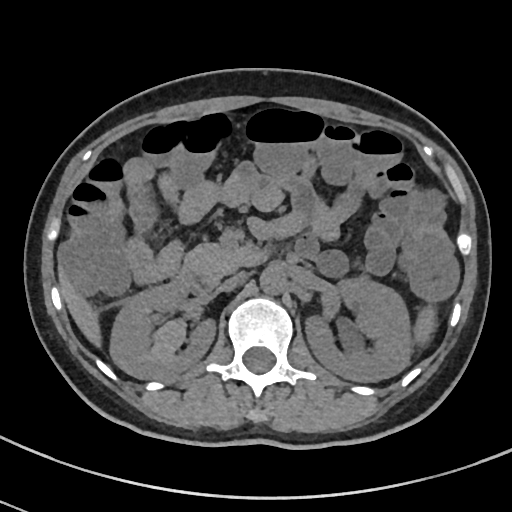

CT, abdomen/pelvis. axial view. soft-tissue window (W 400 / L 40). acquired on SOMATOM Force
Each box given as x1,y1,x2,y2. Labeled organs on this slice: spleen at x1=415, y1=303, x2=434, y2=343, right kidney at x1=111, y1=283, x2=217, y2=379, left kidney at x1=304, y1=278, x2=408, y2=382, liver at x1=58, y1=270, x2=98, y2=345, aorta at x1=260, y1=267, x2=287, y2=295, inferior vena cava at x1=216, y1=273, x2=246, y2=292, pancreas at x1=181, y1=242, x2=249, y2=286, duodenum at x1=172, y1=250, x2=265, y2=292.